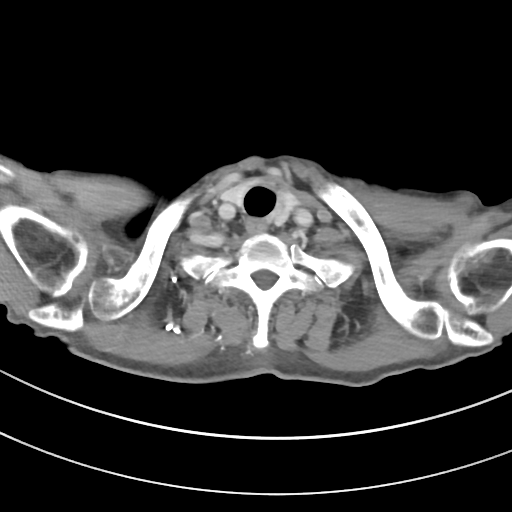
Chest-level slice from an abdominal CT that extends up into the chest — Axial slice 119/122 — W/L 400/40 HU
At this level of the chest no structure but the esophagus and the aorta has a label in this dataset, and those two are boxed only where they are labeled.
Organ boxes in pixel coordinates; each row gives the top-left (x1, y1) and bottom-right (x2, y2) corners.
| organ | x1 | y1 | x2 | y2 |
|---|---|---|---|---|
| esophagus | 245 | 218 | 266 | 232 |